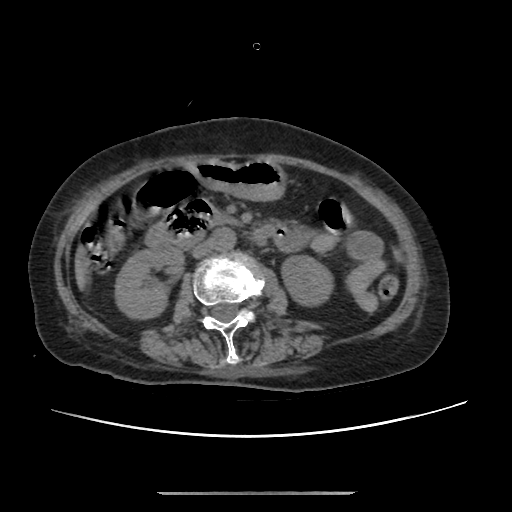 CT abdomen; axial plane, index 211; soft-tissue window (W 400 / L 40); scan has 14 labeled organs (counted over the whole 3D scan, not this slice; an organ is boxed only where this slice passes through it)
{"organs":{"right kidney":[115,244,184,318],"left kidney":[282,256,332,304],"liver":[75,256,84,289],"stomach":[192,158,285,200],"aorta":[212,227,236,250],"inferior vena cava":[193,239,214,257],"pancreas":[212,211,239,225],"duodenum":[145,195,277,246]}}